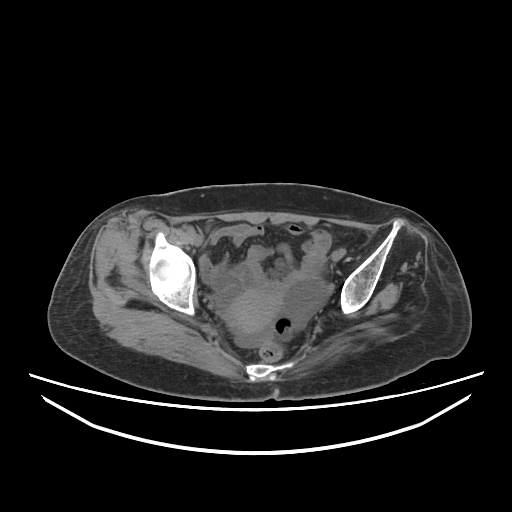

Computed tomography, abdomen — Axial slice 21/97 — abdomen soft-tissue window — 49-year-old female patient — 15 organs annotated in this scan (counted over the whole 3D scan, not this slice; an organ is boxed only where this slice passes through it)
Boxes: x1 y1 x2 y2 (pixel coords, space-separated). The annotated organs in this slice are: prostate/uterus at 224 289 282 333.